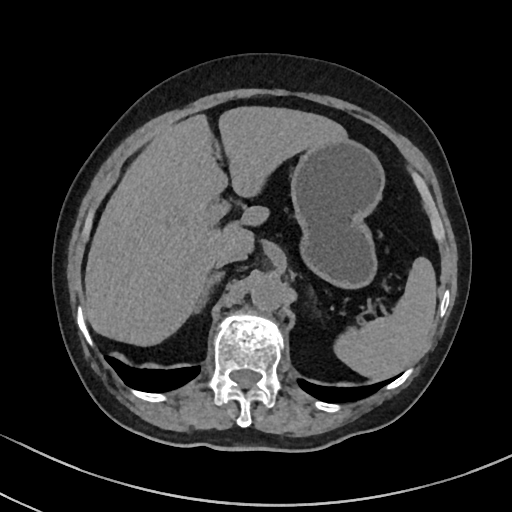 CT abdomen · axial view · abdomen soft-tissue window
Coordinates as <box>x1,y1,x2,y2</box> in pixels. The annotated organs in this slice are: spleen at <box>334,257,436,379</box>, liver at <box>84,106,347,346</box>, stomach at <box>290,139,385,289</box>, aorta at <box>250,276,284,311</box>, inferior vena cava at <box>215,251,245,267</box>, right adrenal gland at <box>194,272,224,313</box>.